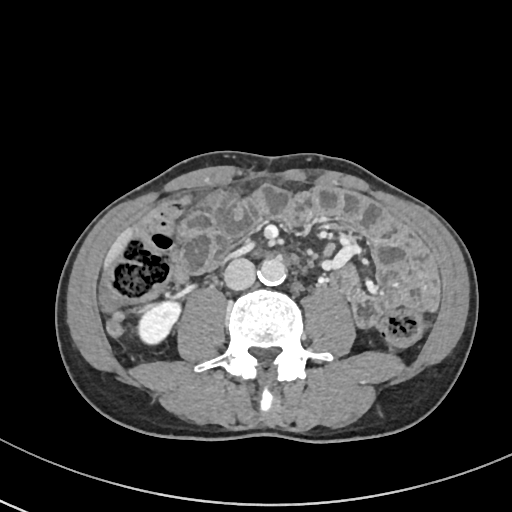
Abdominal CT — axial view — abdomen soft-tissue window — 512x512 px — acquired on SOMATOM Force
Bounding boxes as [x1, y1, x2, y2] in pixel coordinates. 4 labeled organs on this slice — right kidney at [137, 300, 182, 344]; liver at [102, 225, 138, 271]; aorta at [259, 257, 287, 285]; inferior vena cava at [224, 258, 256, 289].